Computed tomography, abdomen — axial view — soft-tissue window — 512x512 px — 15 organs annotated in this scan (that count is for the whole scan; organs this slice misses have no box)
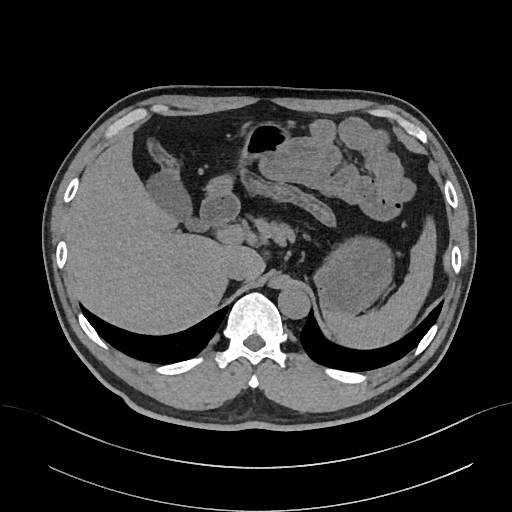
Box edges are left/top/right/bottom in pixels.
Organ bounding boxes:
- stomach: left=205, top=123, right=393, bottom=315
- spleen: left=326, top=219, right=436, bottom=347
- pancreas: left=252, top=217, right=292, bottom=243
- aorta: left=278, top=287, right=310, bottom=319
- liver: left=66, top=132, right=265, bottom=333
- gall bladder: left=145, top=170, right=203, bottom=231
- duodenum: left=201, top=193, right=239, bottom=226
- inferior vena cava: left=222, top=256, right=248, bottom=280